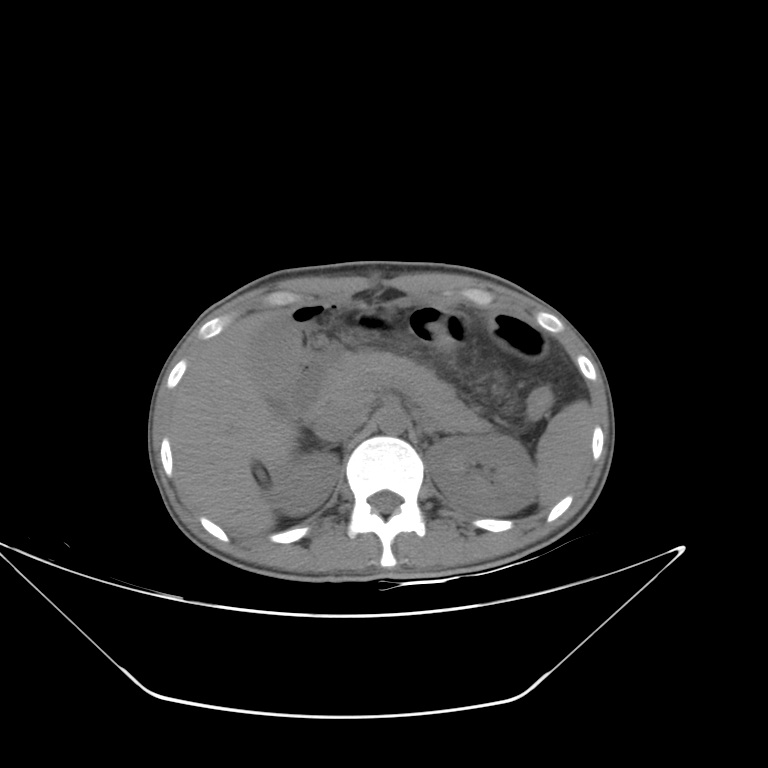

CT abdomen — axial view
{"organs":{"spleen":[536,400,593,506],"right kidney":[268,451,339,515],"left kidney":[426,434,537,515],"gall bladder":[251,316,300,395],"liver":[170,310,299,534],"stomach":[489,313,547,358],"aorta":[377,409,407,434],"inferior vena cava":[313,405,367,442],"pancreas":[324,351,490,432],"right adrenal gland":[327,446,331,447],"duodenum":[286,357,327,417]}}